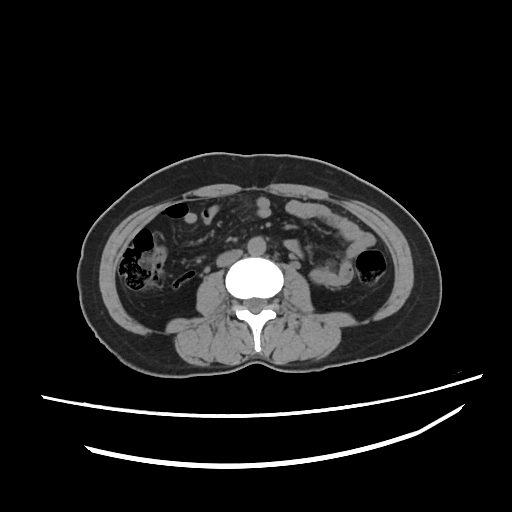
Abdominal CT. axial view. 512x512 px
{"organs":{"aorta":[247,236,270,254],"inferior vena cava":[216,248,241,268]}}